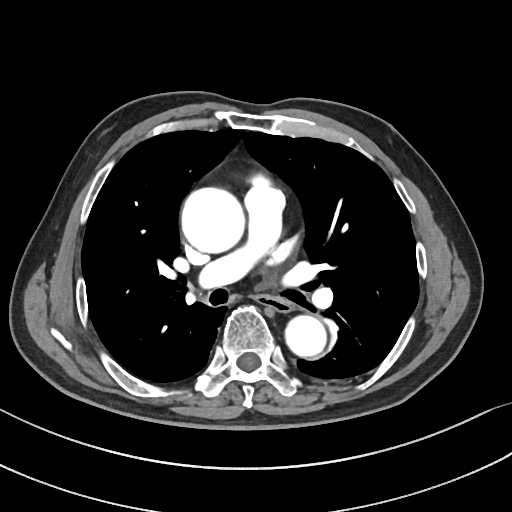 Chest-level slice from an abdominal CT that extends up into the chest; axial plane, index 238; acquired on SOMATOM Force; scan has 15 labeled organs (that count is for the whole scan; organs this slice misses have no box)
At this level of the chest no structure but the esophagus and the aorta has a label in this dataset, and those two are boxed only where they are labeled.
Organ boxes in pixel coordinates; each row gives the top-left (x1, y1) and bottom-right (x2, y2) corners.
| organ | x1 | y1 | x2 | y2 |
|---|---|---|---|---|
| esophagus | 257 | 295 | 293 | 311 |
| aorta | 181 | 187 | 244 | 252 |
| aorta | 284 | 314 | 326 | 356 |